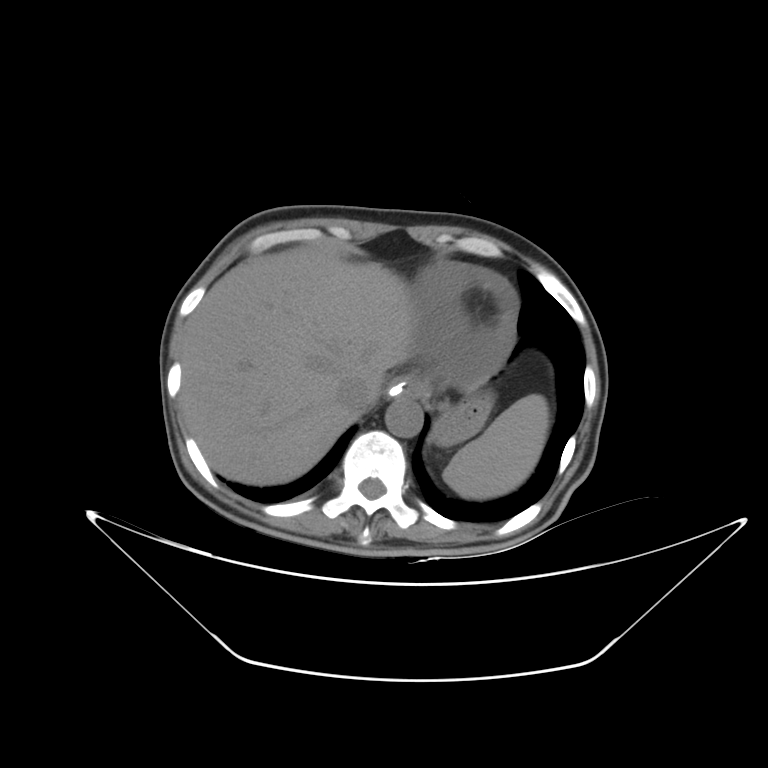
Abdominal CT. axial view. 768x768 px. 55-year-old male patient. scan has 15 labeled organs (that count is for the whole scan; organs this slice misses have no box)
<organs><organ name="spleen" x1="443" y1="394" x2="549" y2="499"/><organ name="esophagus" x1="392" y1="384" x2="409" y2="397"/><organ name="liver" x1="181" y1="248" x2="415" y2="485"/><organ name="stomach" x1="397" y1="376" x2="494" y2="446"/><organ name="aorta" x1="385" y1="397" x2="423" y2="437"/><organ name="inferior vena cava" x1="334" y1="374" x2="371" y2="416"/></organs>